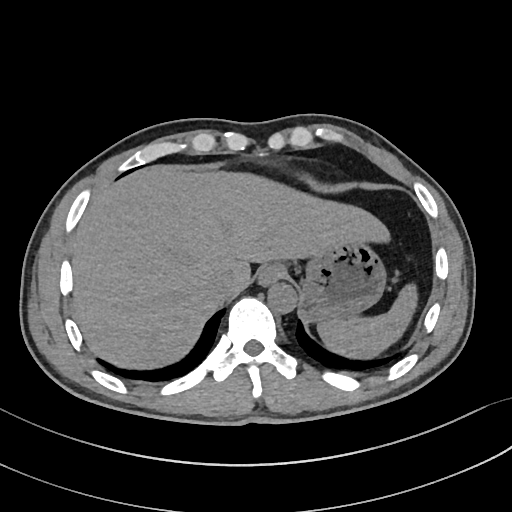
Abdominal CT. axial plane, index 207. acquired on SOMATOM Force
Bounding boxes in pixels, one row per box: x1, y1 is the top-left corner and x2, y2 the bottom-right.
| organ | x1 | y1 | x2 | y2 |
|---|---|---|---|---|
| spleen | 317 | 285 | 415 | 359 |
| esophagus | 258 | 263 | 286 | 285 |
| liver | 71 | 167 | 387 | 370 |
| stomach | 284 | 238 | 387 | 320 |
| aorta | 267 | 282 | 296 | 312 |
| inferior vena cava | 204 | 271 | 235 | 302 |